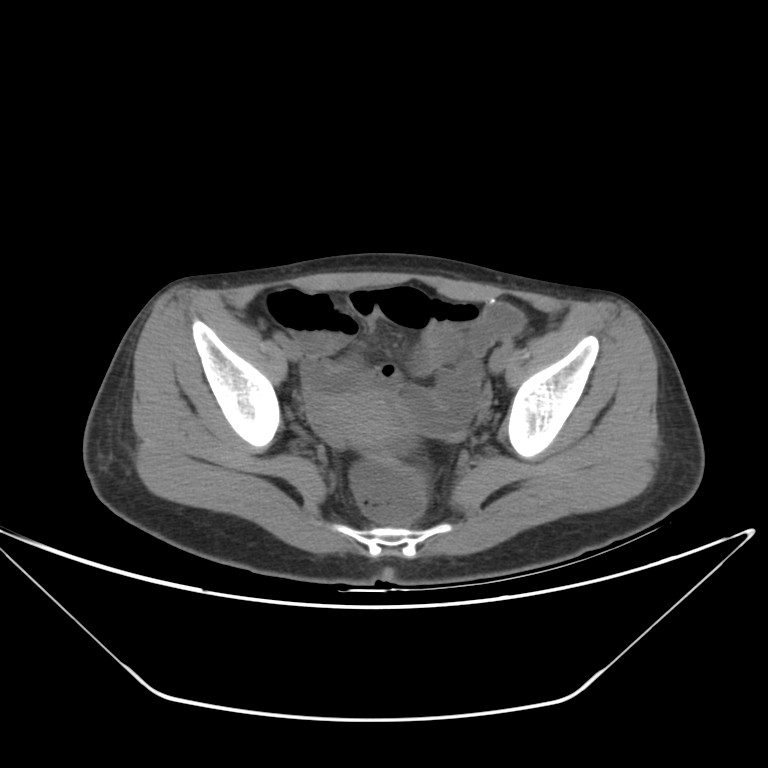

CT, abdomen/pelvis; axial view; soft-tissue window (W 400 / L 40)
{"organs":{"prostate/uterus":[331,388,418,445]}}